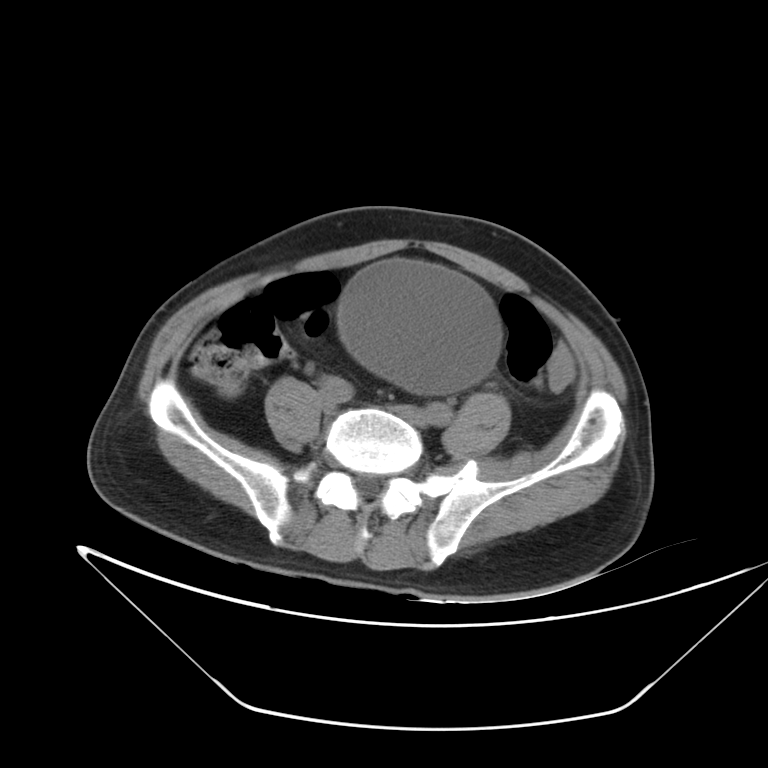 CT, abdomen/pelvis — axial plane, index 42 — soft-tissue window — 768x768 px — 47-year-old male patient — acquired on Brilliance16
{"organs":{"bladder":[338,259,499,392]}}